Abdominal CT. axial plane, index 16. 68-year-old male patient
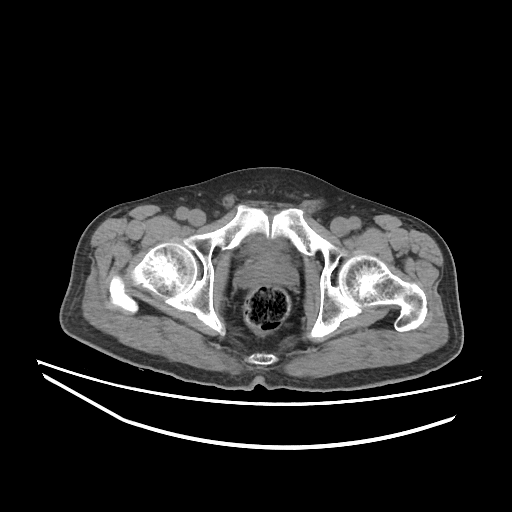
One row per box, in pixels: columns x1 and y1 give the top-left corner, x2 and y2 the bottom-right.
| organ | x1 | y1 | x2 | y2 |
|---|---|---|---|---|
| prostate/uterus | 238 | 256 | 296 | 288 |
| bladder | 246 | 238 | 284 | 257 |